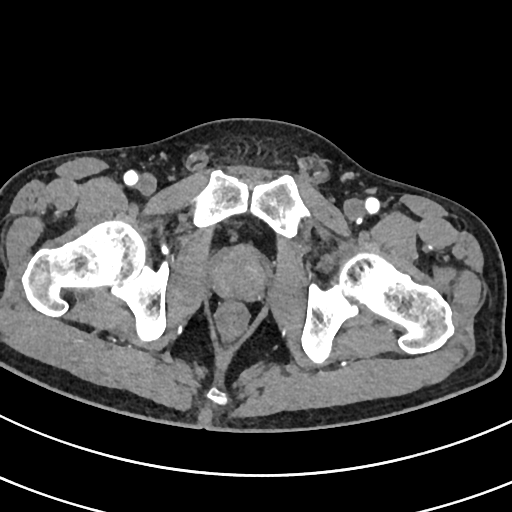 CT abdomen · axial view · W/L 400/40 HU
Each box given as x1,y1,x2,y2.
prostate/uterus: x1=213, y1=246, x2=265, y2=298